Magnetic resonance imaging, abdomen. Axial slice 34/72. 1st–99th percentile window
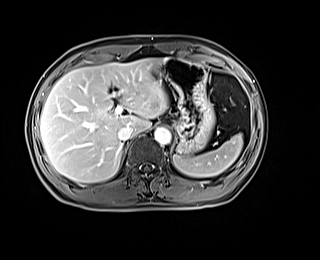
Each box given as x1,y1,x2,y2.
Organ bounding boxes:
- spleen: x1=173, y1=134, x2=242, y2=177
- liver: x1=40, y1=58, x2=168, y2=182
- stomach: x1=155, y1=58, x2=214, y2=154
- aorta: x1=154, y1=127, x2=171, y2=144
- inferior vena cava: x1=118, y1=126, x2=133, y2=141